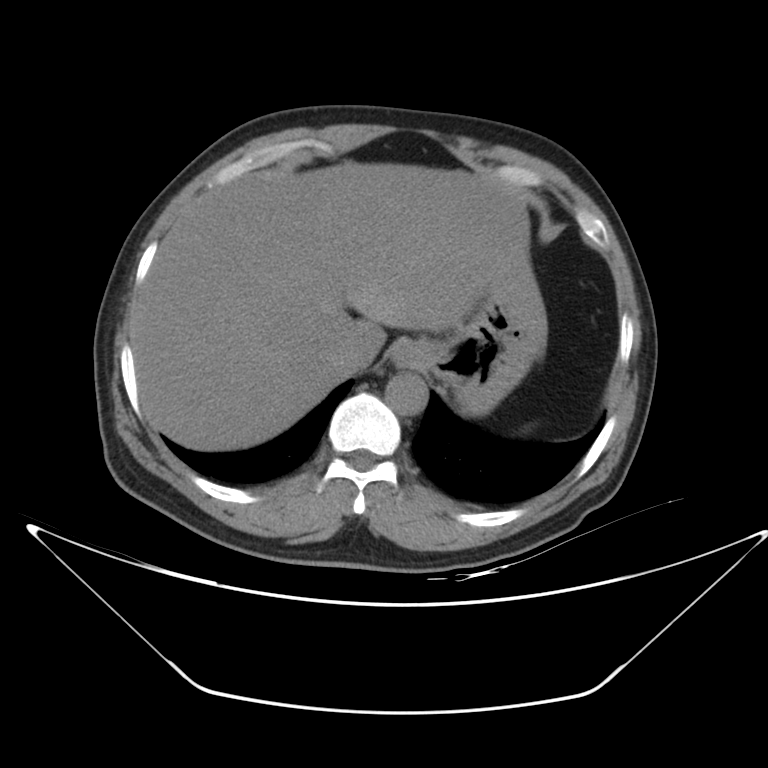 CT abdomen; axial view; 15 organs annotated in this scan (a whole-scan count: organs this slice does not pass through have no box)
{"organs":{"esophagus":[391,341,416,369],"liver":[134,161,546,450],"stomach":[410,298,539,415],"aorta":[385,373,428,415],"inferior vena cava":[327,335,376,368]}}